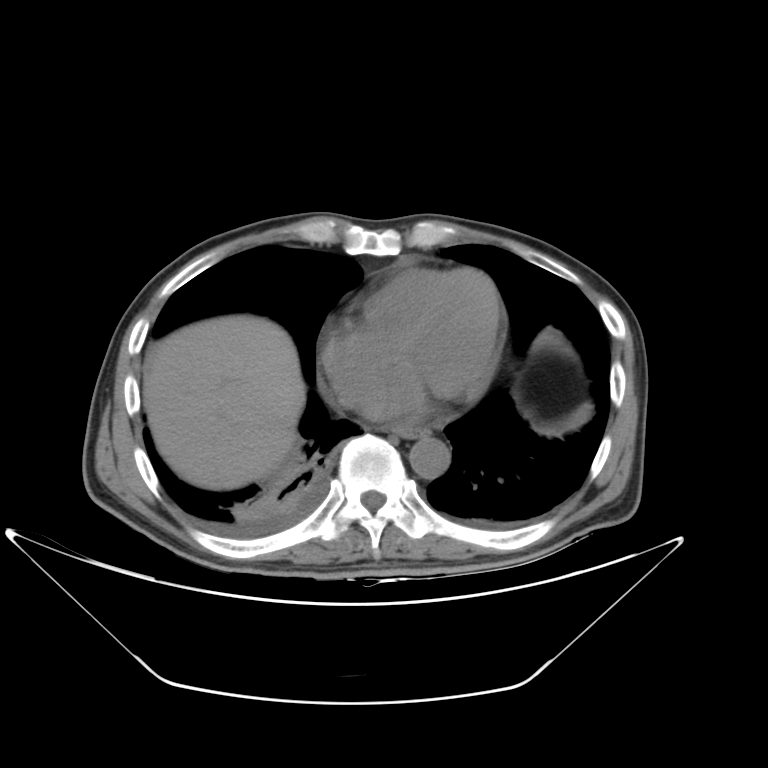

CT, abdomen/pelvis. axial plane, index 93. Brilliance16 scanner
Boxes: x1:y1:x2:y2 in pixels.
esophagus: 390:426:430:438
liver: 142:314:305:490
aorta: 409:437:450:478